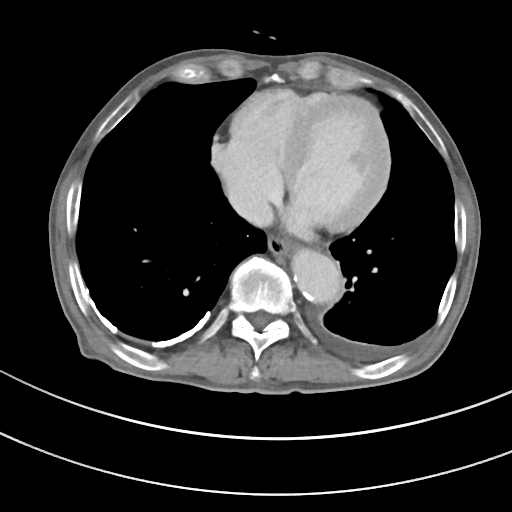

CT of the abdomen reaching into the lower chest, slice just above the liver and spleen. axial plane, index 79. soft-tissue window. scan has 15 labeled organs (a whole-scan count: organs this slice does not pass through have no box)
Of the structures in the chest, this dataset labels only the esophagus, the aorta and the inferior vena cava; the heart and lungs have no label.
Each box given as x1,y1,x2,y2.
esophagus: x1=267, y1=236, x2=289, y2=256
aorta: x1=292, y1=249, x2=340, y2=302
inferior vena cava: x1=228, y1=185, x2=272, y2=226